CT abdomen · axial view · 768x768 px
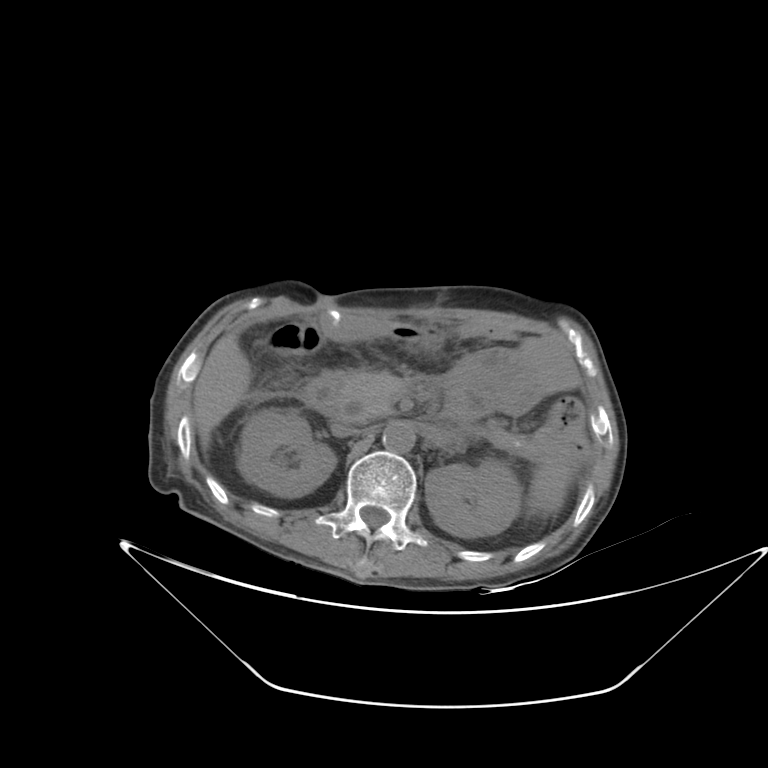
<organs><organ name="spleen" x1="528" y1="462" x2="574" y2="516"/><organ name="liver" x1="193" y1="333" x2="251" y2="440"/><organ name="inferior vena cava" x1="330" y1="422" x2="358" y2="437"/><organ name="pancreas" x1="335" y1="371" x2="402" y2="422"/><organ name="right kidney" x1="237" y1="408" x2="335" y2="497"/><organ name="duodenum" x1="300" y1="371" x2="345" y2="414"/><organ name="aorta" x1="382" y1="422" x2="415" y2="453"/><organ name="left kidney" x1="425" y1="460" x2="522" y2="537"/></organs>